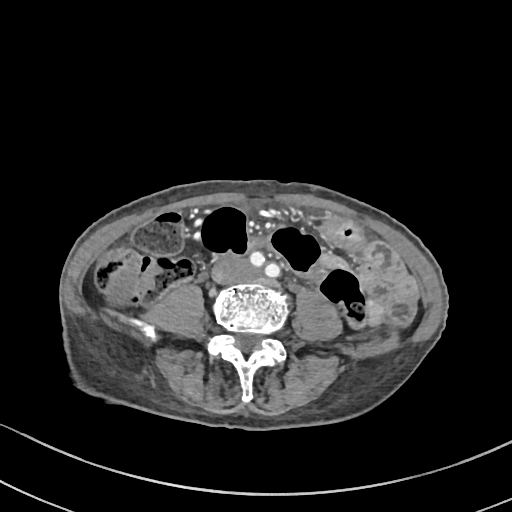 CT abdomen; axial view; 512x512 px; acquired on SOMATOM Force
Boxes: x1:y1:x2:y2 in pixels.
Organ bounding boxes:
- inferior vena cava: 212:258:248:283
- gall bladder: 109:271:135:299